Abdominal CT reaching into the chest; this slice is in the chest. axial view
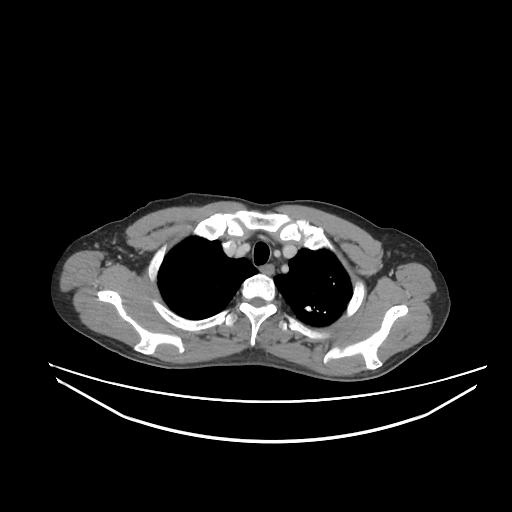 On a slice this high in the chest, this dataset labels only the esophagus and the aorta, and each is boxed only where it is labeled; the heart, lungs and other chest structures are not labeled.
{"organs":{"esophagus":[259,265,273,273]}}